CT abdomen; axial plane, index 43; W/L 400/40 HU
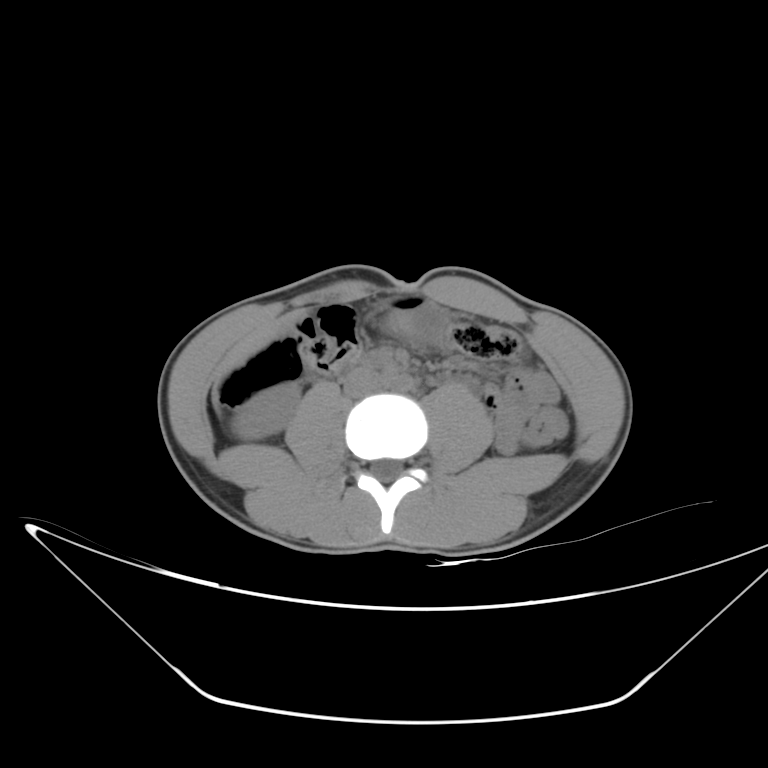
Coordinates as <box>x1,y1,x2,y2</box> in pixels.
duodenum: <box>353,352,398,369</box>
inferior vena cava: <box>344,368,382,398</box>
liver: <box>226,310,302,371</box>
aorta: <box>387,375,411,389</box>
stomach: <box>384,296,443,336</box>
right kidney: <box>232,383,299,439</box>